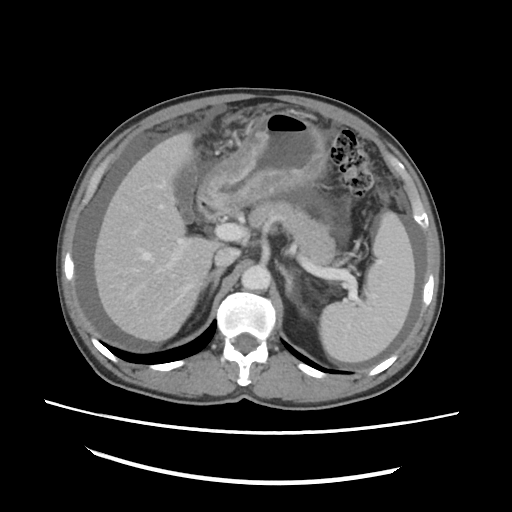
CT abdomen. Axial slice 57/112. abdomen soft-tissue window
Bounding boxes as [x1, y1, x2, y2] in pixel coordinates. 11 labeled organs on this slice — stomach at [198, 111, 327, 211]; liver at [94, 132, 221, 341]; duodenum at [198, 198, 226, 220]; left kidney at [301, 308, 306, 314]; aorta at [241, 264, 270, 290]; pancreas at [249, 201, 336, 266]; right adrenal gland at [200, 268, 224, 298]; left adrenal gland at [278, 265, 294, 299]; gall bladder at [173, 165, 195, 220]; inferior vena cava at [214, 247, 239, 267]; spleen at [319, 211, 415, 362].